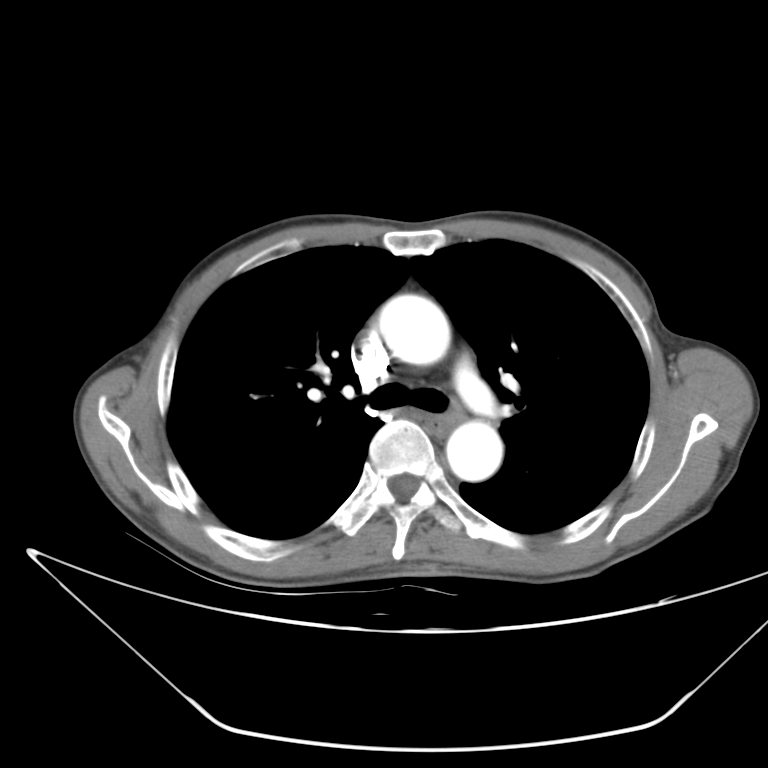 CT of the abdomen extending into the chest, slice through the chest; axial view; 768x768 px; 62-year-old male patient
At this level of the chest no structure but the esophagus and the aorta has a label in this dataset, and those two are boxed only where they are labeled. Box edges are left/top/right/bottom in pixels. 2 labeled organs on this slice — esophagus at left=424, top=415, right=457, bottom=438; aorta at left=377, top=294, right=449, bottom=364; aorta at left=446, top=421, right=502, bottom=481.